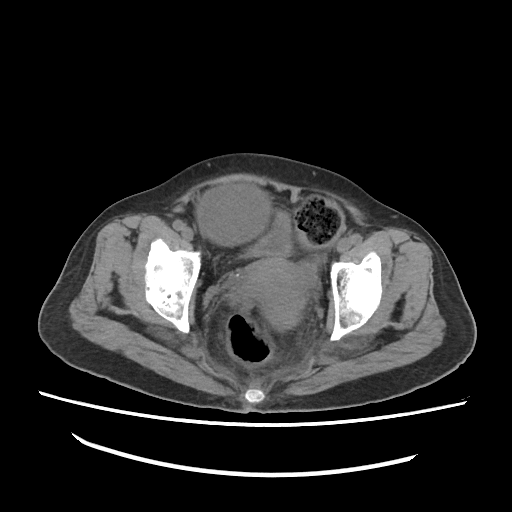

Abdominal CT. axial view. soft-tissue window (W 400 / L 40). 512x512 px
Boxes are (x1, y1, x2, y2) in pixels.
Organ bounding boxes:
- prostate/uterus: (238, 258, 307, 328)
- bladder: (248, 211, 292, 257)